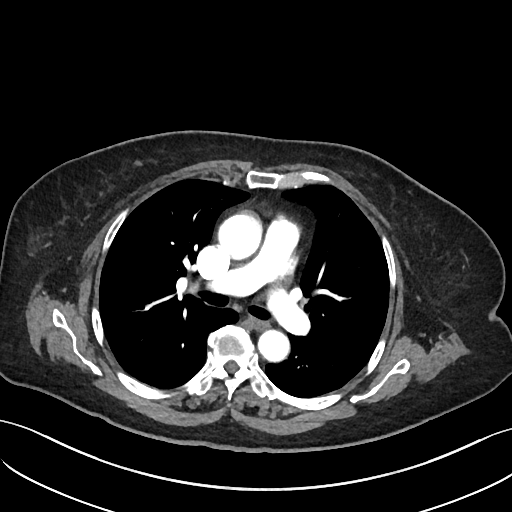
Chest-level CT slice, above the liver and spleen · axial view · soft-tissue window (W 400 / L 40) · 512x512 px
At this level of the chest this dataset labels only the esophagus and the aorta, and each is boxed only where it is labeled; the heart and lungs are never labeled.
Boxes are (x1, y1, x2, y2) in pixels.
Organ bounding boxes:
- esophagus: (251, 318, 268, 329)
- aorta: (218, 213, 262, 259)
- aorta: (258, 330, 289, 361)